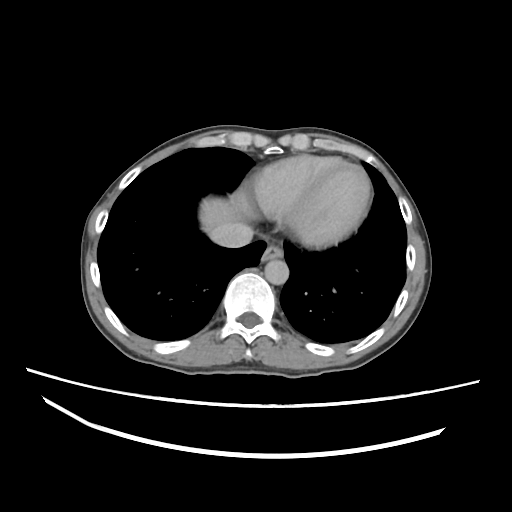
Computed tomography, abdomen · axial view · 40-year-old male patient · Aquilion ONE scanner
Boxes: x1:y1:x2:y2 in pixels.
inferior vena cava: 212:221:254:247
liver: 199:198:246:231
aorta: 264:259:288:285
esophagus: 262:244:282:260